Abdominal CT — axial plane, index 41 — W/L 400/40 HU — 512x512 px — 49-year-old male patient
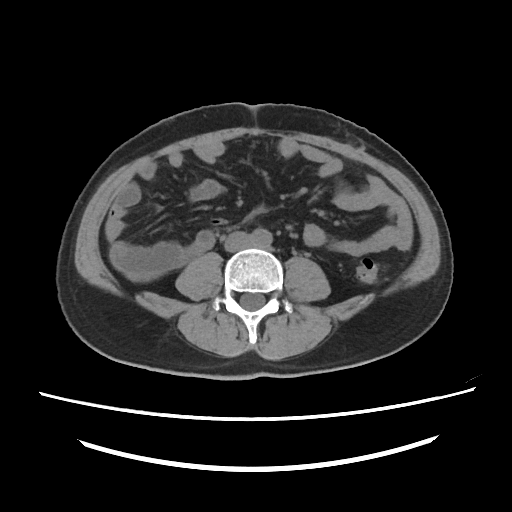

Coordinates as <box>x1,y1,x2,y2</box> in pixels.
Organ bounding boxes:
- aorta: <box>251,228,272,248</box>
- inferior vena cava: <box>224,231,251,252</box>